Abdominal CT — axial view
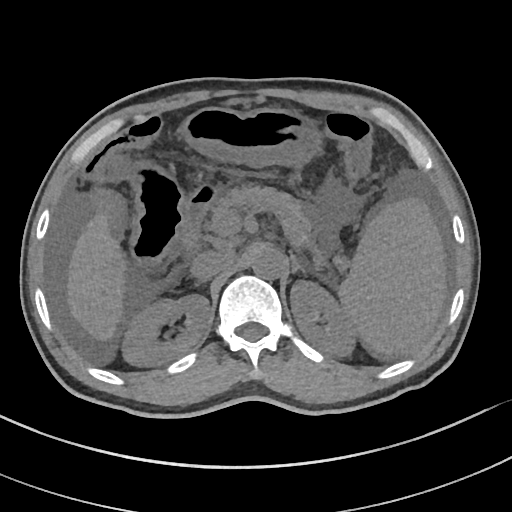
Boxes: x1:y1:x2:y2 in pixels.
spleen: 339:198:446:357
right kidney: 120:295:209:366
left kidney: 290:280:359:358
liver: 67:217:124:338
stomach: 184:108:317:165
aorta: 251:246:284:279
inferior vena cava: 191:250:235:278
pancreas: 211:183:318:249
left adrenal gland: 291:256:318:276
duodenum: 181:189:213:250